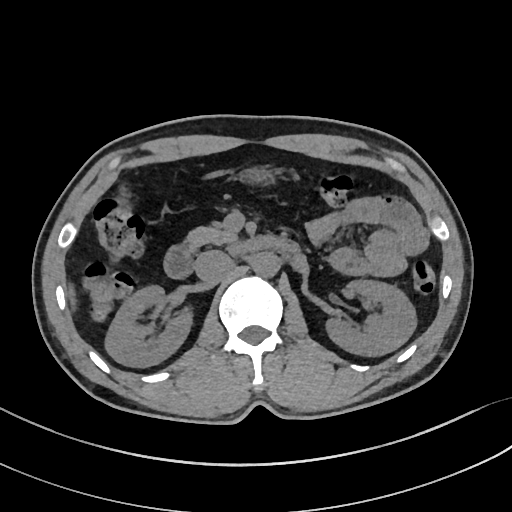
CT abdomen. axial plane, index 157. soft-tissue window. acquired on SOMATOM Force
<organs><organ name="right kidney" x1="104" y1="285" x2="191" y2="367"/><organ name="left kidney" x1="327" y1="279" x2="415" y2="355"/><organ name="liver" x1="68" y1="284" x2="76" y2="303"/><organ name="stomach" x1="249" y1="167" x2="271" y2="181"/><organ name="aorta" x1="252" y1="251" x2="279" y2="276"/><organ name="inferior vena cava" x1="195" y1="250" x2="230" y2="280"/><organ name="pancreas" x1="187" y1="226" x2="237" y2="249"/><organ name="duodenum" x1="163" y1="235" x2="304" y2="278"/></organs>